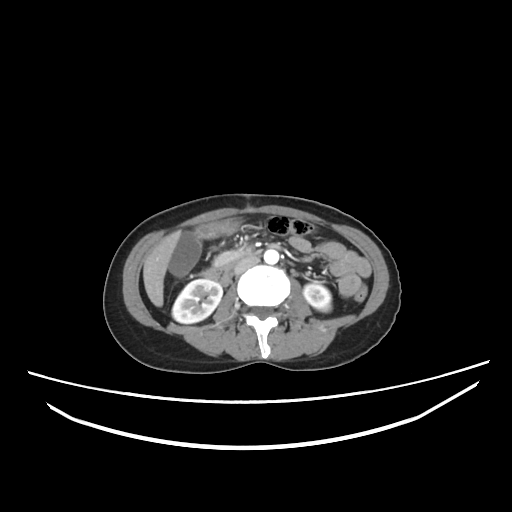 CT, abdomen/pelvis · axial view · 512x512 px · 43-year-old female patient · 15 organs annotated in this scan (a whole-scan count: organs this slice does not pass through have no box)
Boxes: x1:y1:x2:y2 in pixels. 9 labeled organs on this slice — right kidney at 172:279:222:323; left kidney at 303:282:331:311; gall bladder at 169:232:200:277; liver at 143:231:181:306; stomach at 197:217:242:238; aorta at 263:249:279:264; inferior vena cava at 234:256:258:274; pancreas at 214:250:243:265; duodenum at 202:253:252:285.